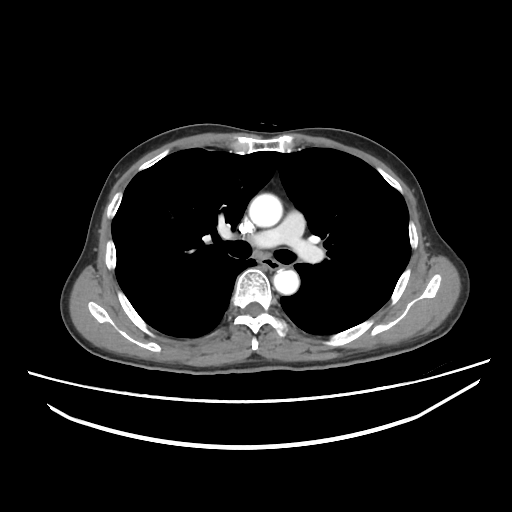

Chest-level CT slice, above the liver and spleen. axial plane, index 75. soft-tissue window. 63-year-old male patient. Aquilion ONE scanner
At this level of the chest no structure but the esophagus and the aorta has a label in this dataset, and those two are boxed only where they are labeled.
Coordinates as <box>x1,y1,x2,y2</box> in pixels.
esophagus: <box>262,258,281,268</box>
aorta: <box>248,193,282,227</box>
aorta: <box>273,270,299,294</box>